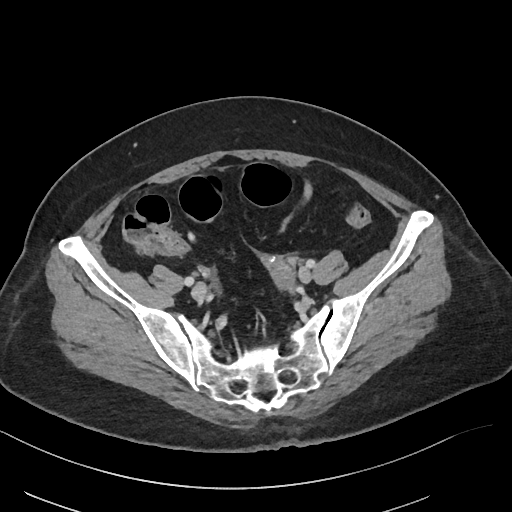 Abdominal CT. axial plane, index 69. W/L 400/40 HU. scan has 15 labeled organs (counted over the whole 3D scan, not this slice; an organ is boxed only where this slice passes through it)
Organ boxes in pixel coordinates; each row gives the top-left (x1, y1) and bottom-right (x2, y2) corners.
| organ | x1 | y1 | x2 | y2 |
|---|---|---|---|---|
| prostate/uterus | 271 | 263 | 295 | 289 |